Abdominal CT · axial view · 512x512 px · acquired on SOMATOM Force
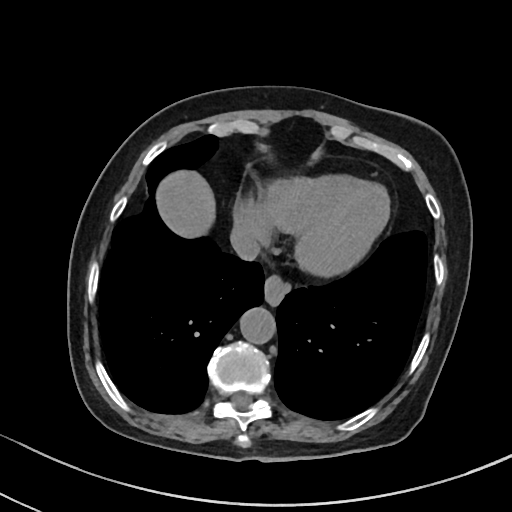
<organs><organ name="esophagus" x1="264" y1="275" x2="289" y2="305"/><organ name="liver" x1="157" y1="170" x2="215" y2="237"/><organ name="aorta" x1="239" y1="307" x2="276" y2="343"/><organ name="inferior vena cava" x1="230" y1="225" x2="260" y2="260"/></organs>